CT, abdomen/pelvis; axial view; soft-tissue window (W 400 / L 40); 15 organs annotated in this scan (that count is for the whole scan; organs this slice misses have no box)
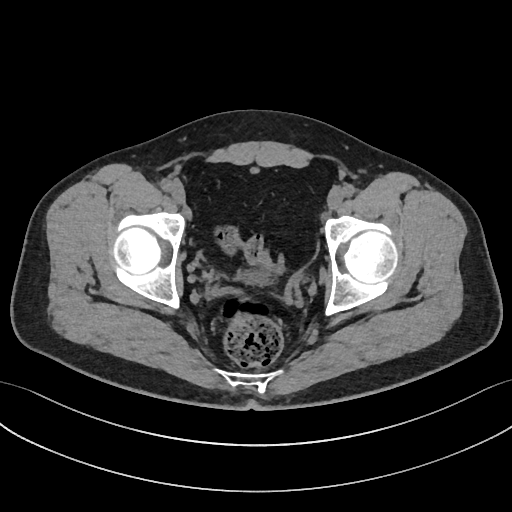
{"organs":{"bladder":[235,270,271,285]}}